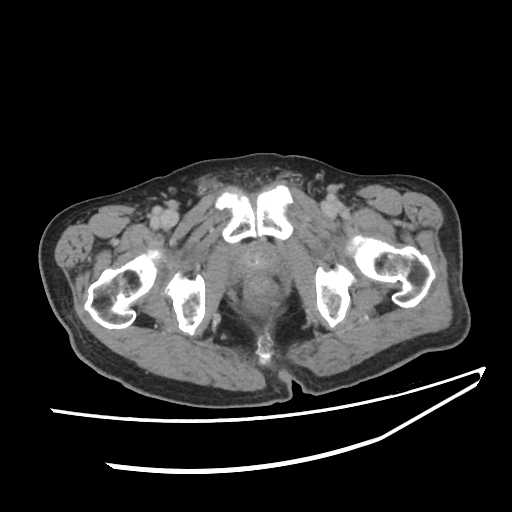
CT abdomen · Axial slice 16/91
{"organs":{"prostate/uterus":[232,245,285,278]}}